Magnetic resonance imaging, abdomen. Coronal slice 25/144
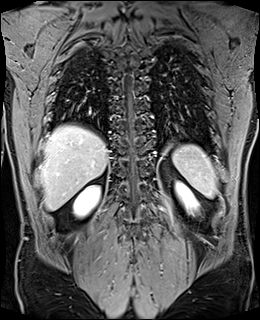
<organs><organ name="spleen" x1="172" y1="144" x2="217" y2="198"/><organ name="right kidney" x1="73" y1="185" x2="99" y2="217"/><organ name="left kidney" x1="175" y1="182" x2="197" y2="213"/><organ name="liver" x1="40" y1="125" x2="107" y2="210"/></organs>